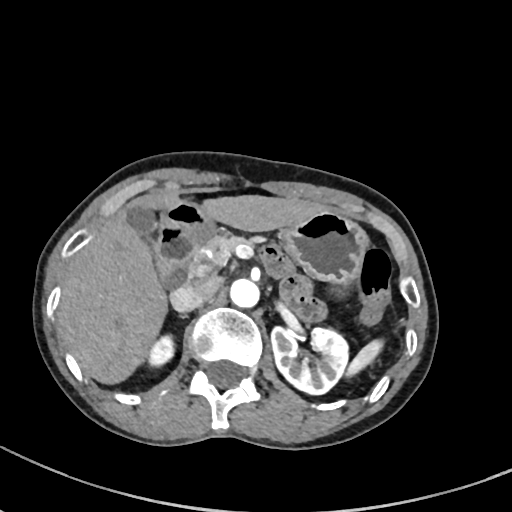
Abdominal CT. Axial slice 159/207. acquired on SOMATOM Force
Boxes: x1 y1 x2 y2 (pixel coords, space-separated). The annotated organs in this slice are: inferior vena cava at 170 277 218 311, gall bladder at 127 205 158 236, aorta at 230 279 259 307, pancreas at 187 233 259 280, left kidney at 271 327 348 394, stomach at 160 200 368 285, liver at 57 193 326 384, spleen at 348 340 382 375, right kidney at 146 334 173 367, duodenum at 153 226 203 285.